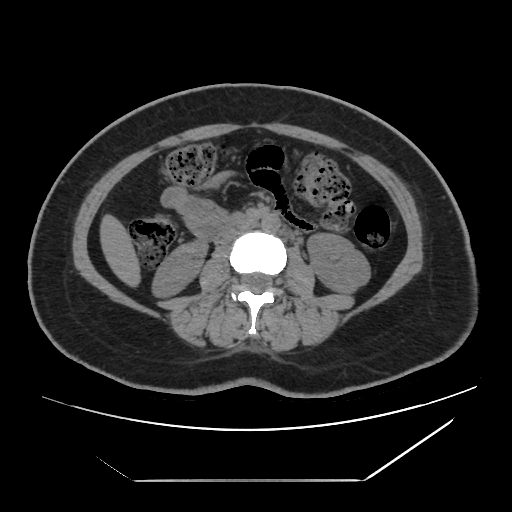
Abdominal CT. axial view. soft-tissue window. acquired on SOMATOM Force
Box edges are left/top/right/bottom in pixels.
right kidney: left=152, top=239, right=207, bottom=297
left kidney: left=307, top=233, right=370, bottom=293
liver: left=100, top=214, right=140, bottom=287
aorta: left=261, top=213, right=280, bottom=232
inferior vena cava: left=222, top=223, right=250, bottom=243
duodenum: left=232, top=214, right=248, bottom=225